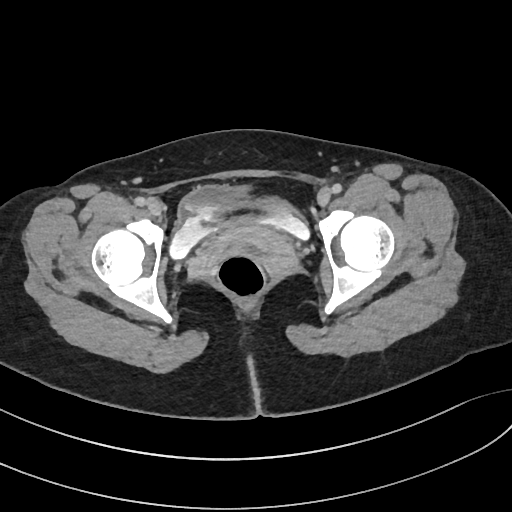 CT abdomen — axial view
Organ boxes in pixel coordinates; each row gives the top-left (x1, y1) and bottom-right (x2, y2) corners.
| organ | x1 | y1 | x2 | y2 |
|---|---|---|---|---|
| bladder | 168 | 182 | 310 | 259 |